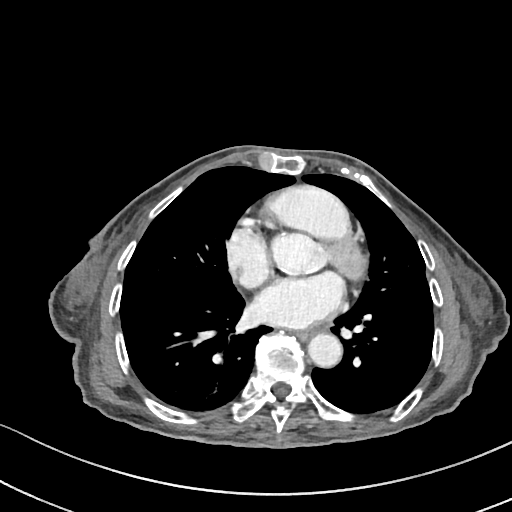

Lower-chest slice from an abdominal CT, just above the liver and spleen — axial view — soft-tissue window, W/L 400/40 — 15 organs annotated in this scan (a whole-scan count: organs this slice does not pass through have no box)
The heart and lungs are never labeled in this dataset, so they have no box on this slice.
Bounding boxes in pixels, one row per box: x1, y1 is the top-left corner and x2, y2 the bottom-right.
| organ | x1 | y1 | x2 | y2 |
|---|---|---|---|---|
| esophagus | 296 | 329 | 312 | 340 |
| aorta | 308 | 333 | 342 | 367 |